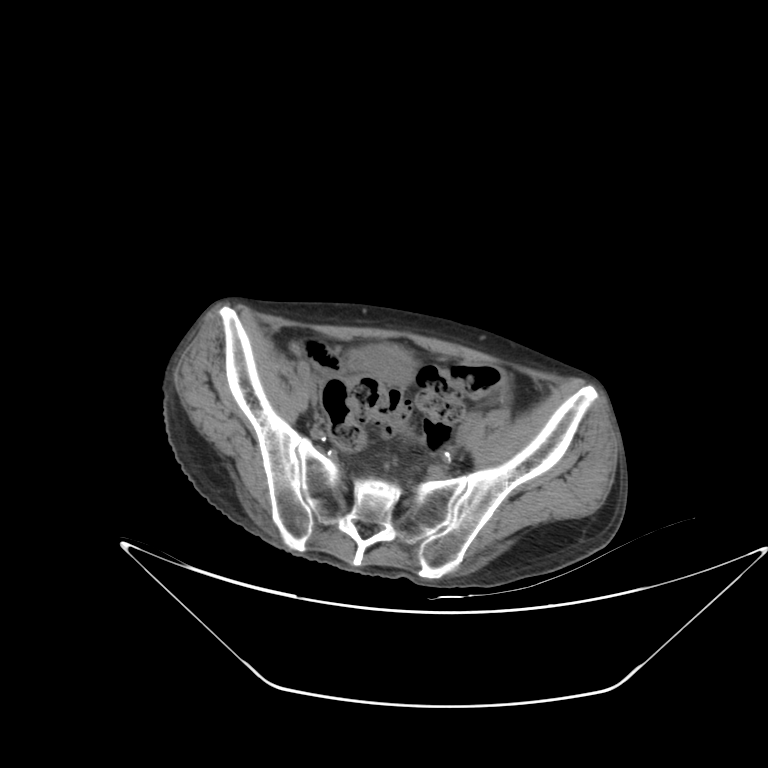

Computed tomography, abdomen · axial view · 768x768 px · 56-year-old male patient · Brilliance16 scanner
Boxes: x1 y1 x2 y2 (pixel coords, space-separated).
Organ bounding boxes:
- bladder: 354 345 413 379